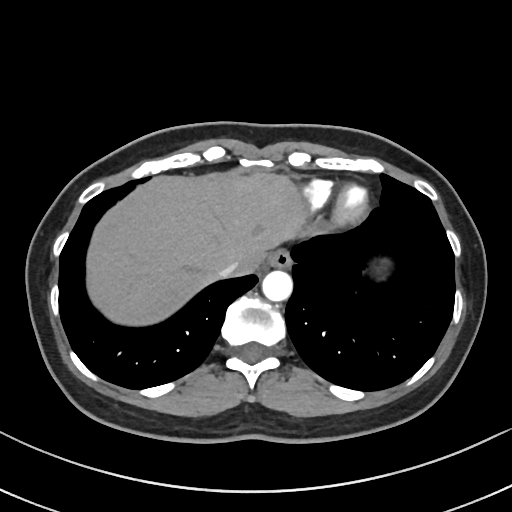

CT abdomen · Axial slice 208/242 · acquired on SOMATOM Force · scan has 15 labeled organs (counted over the whole 3D scan, not this slice; an organ is boxed only where this slice passes through it)
Coordinates as <box>x1,y1,x2,y2</box> in pixels.
Organ bounding boxes:
- esophagus: <box>267,250,291,268</box>
- liver: <box>86,174,304,324</box>
- inferior vena cava: <box>219,262,239,276</box>
- aorta: <box>262,271,292,302</box>